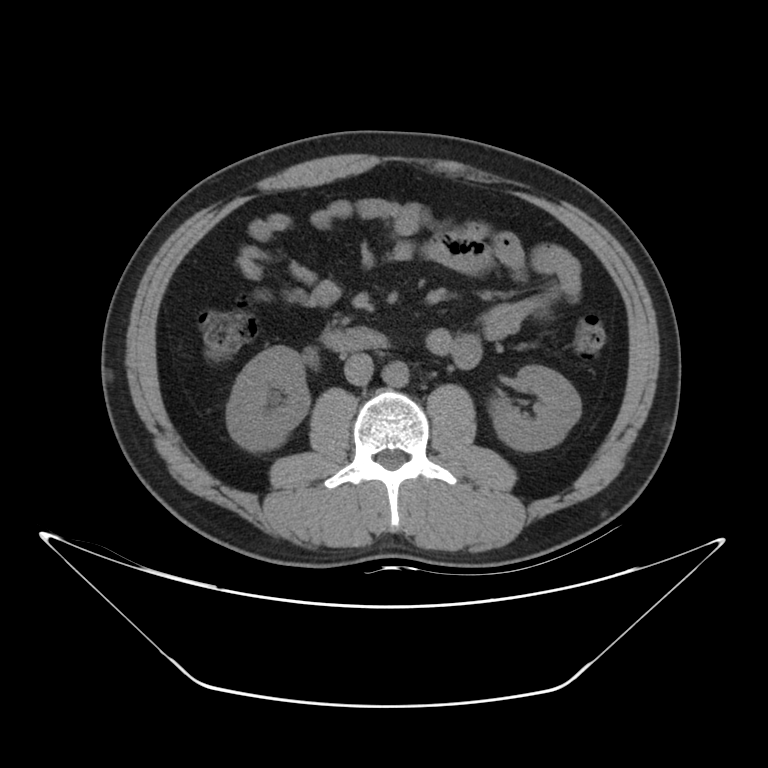

Computed tomography, abdomen; axial view; soft-tissue window (W 400 / L 40)
{"organs":{"left kidney":[489,365,580,451],"right kidney":[226,346,309,451],"duodenum":[322,328,389,351],"aorta":[383,361,409,386],"inferior vena cava":[343,352,373,385]}}